CT abdomen — Axial slice 58/85 — W/L 400/40 HU
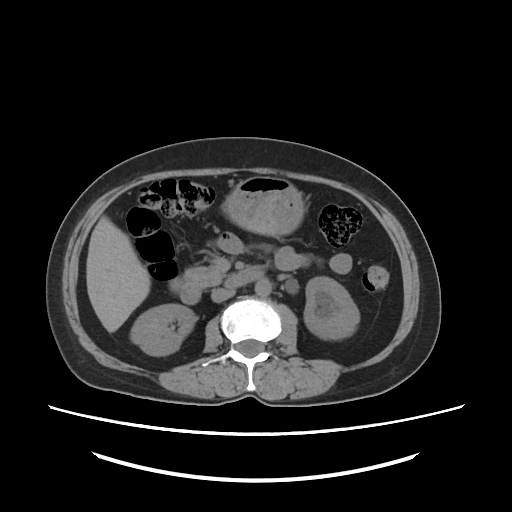
<organs><organ name="inferior vena cava" x1="211" y1="288" x2="236" y2="301"/><organ name="aorta" x1="255" y1="279" x2="270" y2="296"/><organ name="left kidney" x1="304" y1="275" x2="357" y2="337"/><organ name="pancreas" x1="181" y1="268" x2="220" y2="287"/><organ name="liver" x1="87" y1="217" x2="150" y2="332"/><organ name="stomach" x1="222" y1="174" x2="306" y2="237"/><organ name="duodenum" x1="170" y1="266" x2="265" y2="303"/><organ name="right kidney" x1="131" y1="302" x2="194" y2="355"/></organs>